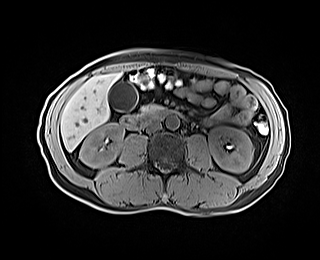 Abdominal MR — axial view — 320x260 px — scan has 13 labeled organs (that count is for the whole scan; organs this slice misses have no box)
<organs><organ name="duodenum" x1="120" y1="109" x2="171" y2="129"/><organ name="left kidney" x1="209" y1="126" x2="253" y2="172"/><organ name="liver" x1="61" y1="72" x2="122" y2="151"/><organ name="gall bladder" x1="108" y1="81" x2="137" y2="111"/><organ name="inferior vena cava" x1="146" y1="121" x2="161" y2="131"/><organ name="pancreas" x1="139" y1="104" x2="163" y2="115"/><organ name="right kidney" x1="79" y1="123" x2="124" y2="167"/><organ name="aorta" x1="165" y1="115" x2="179" y2="129"/></organs>